CT of the abdomen extending into the chest, slice through the chest; axial view; W/L 400/40 HU
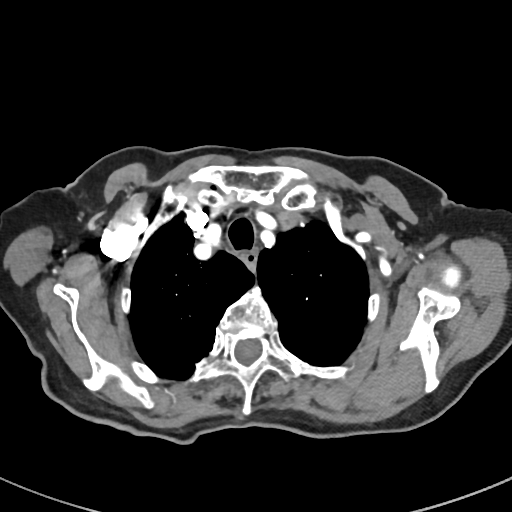
On a slice this high in the chest, this dataset labels only the esophagus and the aorta, and each is boxed only where it is labeled; the heart, lungs and other chest structures are not labeled.
Each box given as x1,y1,x2,y2.
esophagus: x1=244, y1=253, x2=255, y2=268